Chest-level slice from an abdominal CT that extends up into the chest; axial view; 512x512 px
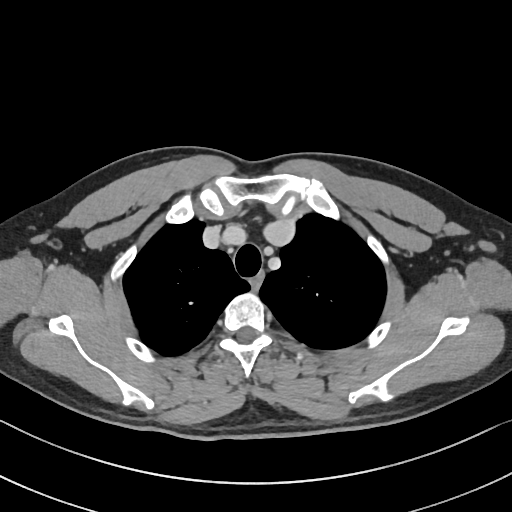

On a slice this high in the chest, this dataset labels only the esophagus and the aorta, and each is boxed only where it is labeled; the heart, lungs and other chest structures are not labeled.
Boxes: x1:y1:x2:y2 in pixels.
esophagus: 249:270:264:290